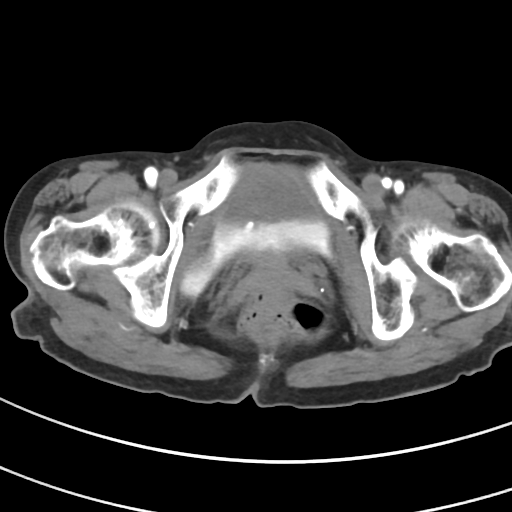
Computed tomography, abdomen — axial view — acquired on SOMATOM Force
<organs><organ name="bladder" x1="177" y1="162" x2="337" y2="296"/></organs>